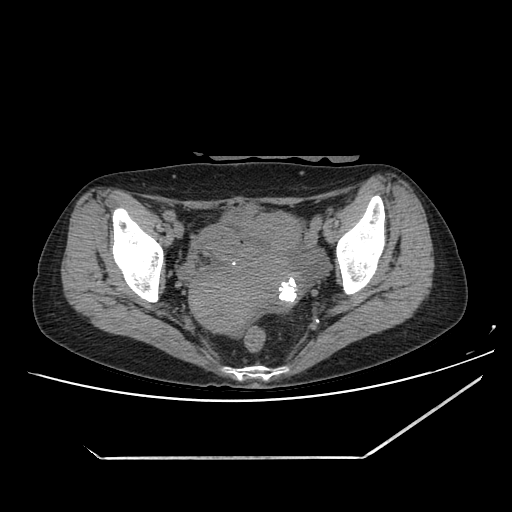

CT abdomen — axial view
Organ boxes in pixel coordinates; each row gives the top-left (x1, y1) and bottom-right (x2, y2) corners.
| organ | x1 | y1 | x2 | y2 |
|---|---|---|---|---|
| bladder | 223 | 204 | 257 | 226 |
| prostate/uterus | 189 | 254 | 303 | 333 |